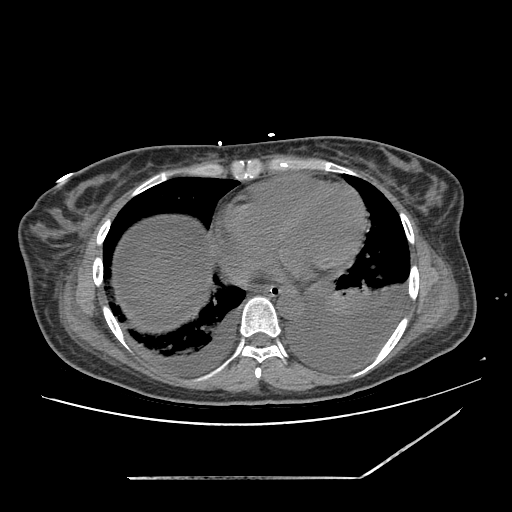
CT abdomen — axial view
{"organs":{"esophagus":[256,286,292,296],"liver":[127,232,207,312],"stomach":[279,289,293,297],"aorta":[277,290,303,319]}}